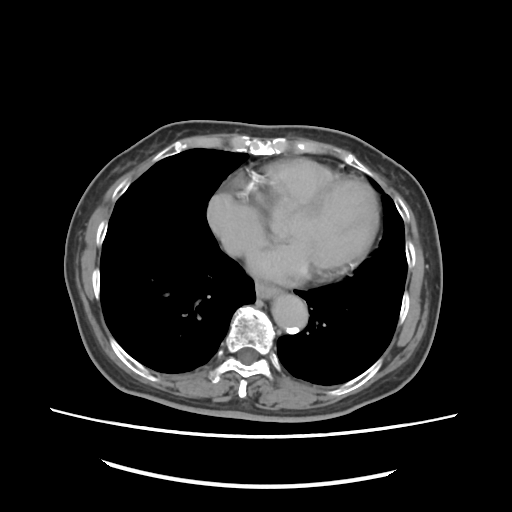

Abdominal CT; this slice is in the lower chest, just above the liver — axial view — 76-year-old female patient
Of the structures in the chest, this dataset labels only the esophagus, the aorta and the inferior vena cava; the heart and lungs have no label.
Boxes: x1:y1:x2:y2 in pixels.
esophagus: 255:280:277:297
aorta: 271:294:309:330
inferior vena cava: 222:240:244:254